CT, abdomen/pelvis; Axial slice 24/87; SOMATOM Force scanner
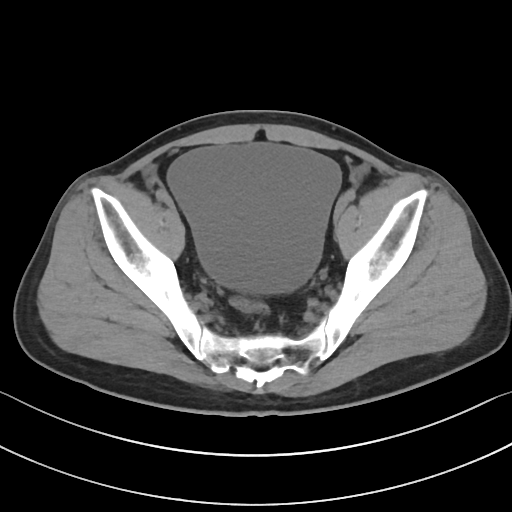

Organ boxes in pixel coordinates; each row gives the top-left (x1, y1) and bottom-right (x2, y2) corners.
| organ | x1 | y1 | x2 | y2 |
|---|---|---|---|---|
| bladder | 168 | 143 | 338 | 293 |